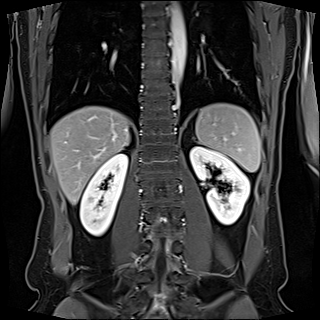

MRI, abdomen. coronal view. Prisma scanner. 13 organs annotated in this scan (counted over the whole 3D scan, not this slice; an organ is boxed only where this slice passes through it)
Boxes are (x1, y1, x2, y2) in pixels.
spleen: (195, 103, 260, 172)
left adrenal gland: (192, 141, 197, 141)
left kidney: (190, 146, 249, 224)
liver: (50, 106, 130, 204)
right kidney: (80, 153, 127, 236)
aorta: (170, 1, 186, 84)